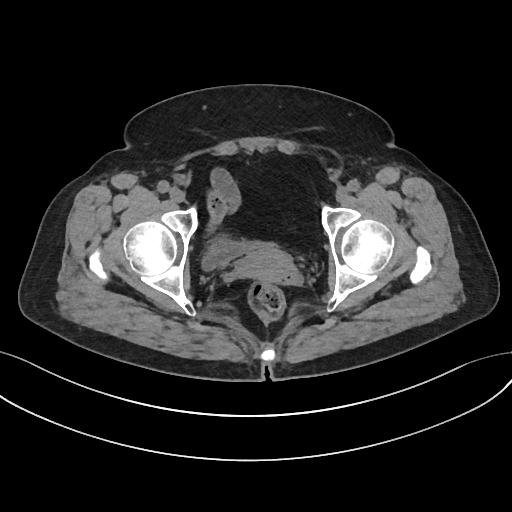

Abdominal CT · axial plane, index 24 · W/L 400/40 HU · SOMATOM Force scanner
Boxes: x1 y1 x2 y2 (pixel coords, space-separated).
Organ bounding boxes:
- prostate/uterus: 241 248 295 282
- bladder: 201 238 277 270